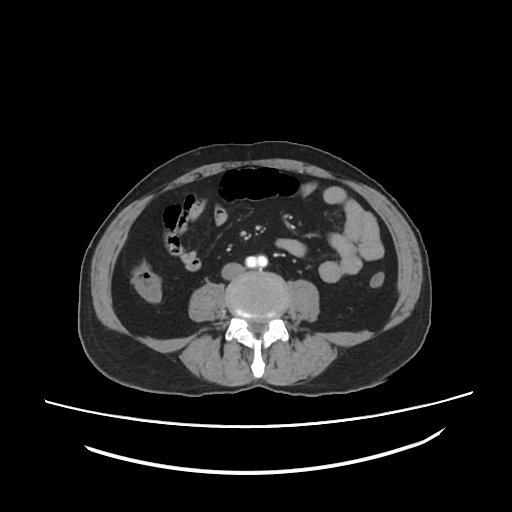

CT abdomen. axial view. 15 organs annotated in this scan (a whole-scan count: organs this slice does not pass through have no box)
One row per box, in pixels: columns x1 and y1 give the top-left corner, x2 and y2 the bottom-right.
| organ | x1 | y1 | x2 | y2 |
|---|---|---|---|---|
| aorta | 245 | 257 | 270 | 266 |
| inferior vena cava | 221 | 262 | 244 | 279 |